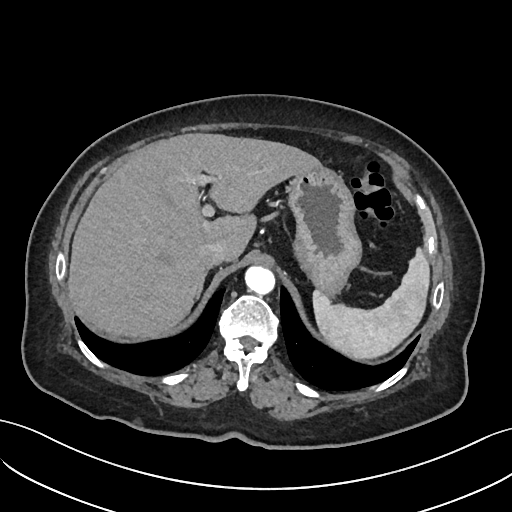 CT, abdomen/pelvis. axial plane, index 156
Each box given as x1,y1,x2,y2. 6 labeled organs on this slice — right adrenal gland at x1=196, y1=272, x2=207, y2=299; spleen at x1=313, y1=248, x2=429, y2=359; stomach at x1=288, y1=166, x2=361, y2=296; aorta at x1=245, y1=266, x2=275, y2=294; liver at x1=67, y1=133, x2=321, y2=339; inferior vena cava at x1=198, y1=241, x2=227, y2=267.